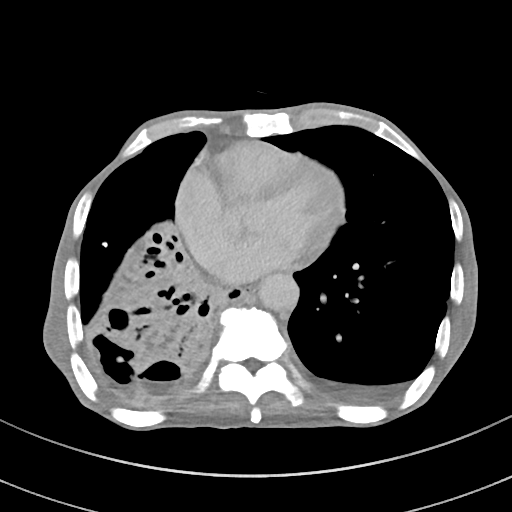

Lower-chest slice from an abdominal CT, just above the liver and spleen; Axial slice 89/92; W/L 400/40 HU
Of the structures in the chest, this dataset labels only the esophagus, the aorta and the inferior vena cava; the heart and lungs have no label.
{"organs":{"esophagus":[216,287,253,305],"aorta":[258,273,299,311]}}